Abdominal CT. axial view. soft-tissue window. 512x512 px. acquired on SOMATOM Force
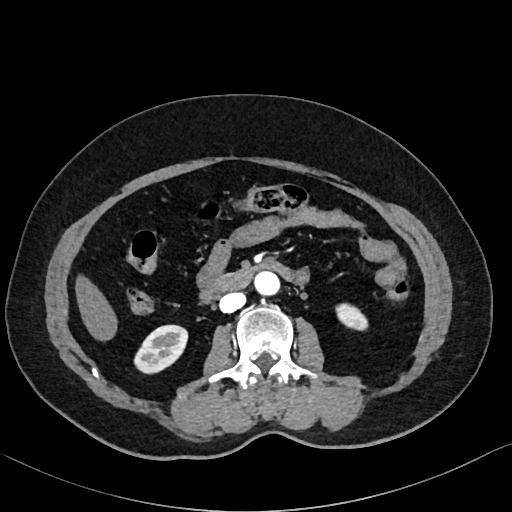 <organs><organ name="right kidney" x1="134" y1="326" x2="187" y2="373"/><organ name="left kidney" x1="336" y1="305" x2="366" y2="329"/><organ name="liver" x1="76" y1="279" x2="115" y2="339"/><organ name="aorta" x1="253" y1="271" x2="278" y2="294"/><organ name="inferior vena cava" x1="219" y1="292" x2="245" y2="312"/><organ name="duodenum" x1="201" y1="262" x2="291" y2="302"/></organs>